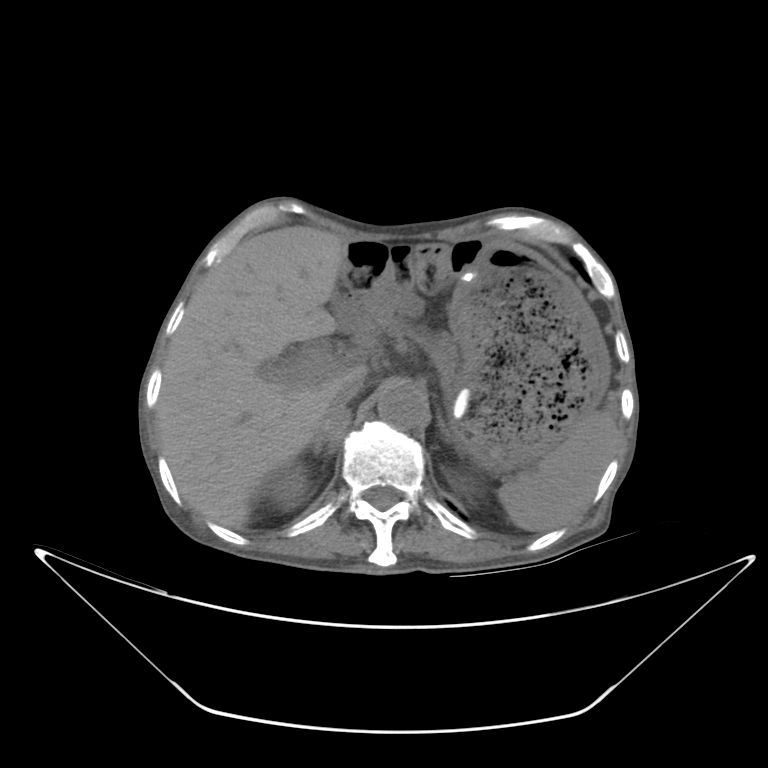

Abdominal CT; Axial slice 75/95; 68-year-old male patient; 13 organs annotated in this scan (a whole-scan count: organs this slice does not pass through have no box)
Boxes: x1 y1 x2 y2 (pixel coords, space-separated).
Organ bounding boxes:
- inferior vena cava: 322 378 364 417
- liver: 157 225 365 530
- left adrenal gland: 437 412 460 460
- pancreas: 422 329 455 376
- right adrenal gland: 312 406 350 457
- stomach: 450 241 609 472
- spleen: 496 412 615 530
- right kidney: 268 466 307 502
- aorta: 380 387 426 428